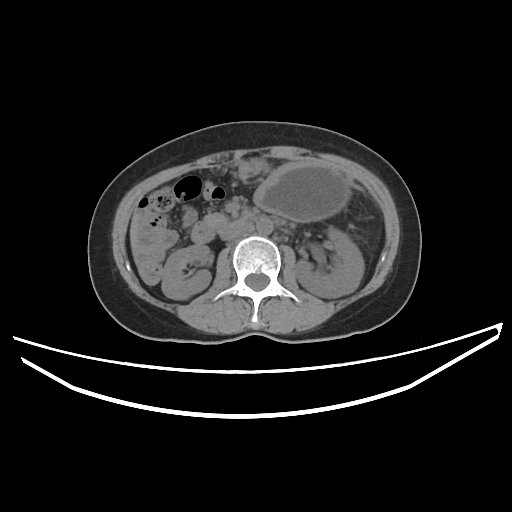
Computed tomography, abdomen. Axial slice 55/81. soft-tissue window. 50-year-old female patient. Aquilion ONE scanner
Bounding boxes as [x1, y1, x2, y2] in pixel coordinates.
Organ bounding boxes:
- right kidney: [162, 244, 210, 299]
- left kidney: [294, 227, 364, 298]
- liver: [130, 213, 139, 262]
- stomach: [254, 162, 350, 221]
- aorta: [256, 218, 272, 235]
- inferior vena cava: [220, 225, 243, 240]
- pancreas: [204, 214, 225, 224]
- duodenum: [191, 214, 254, 243]